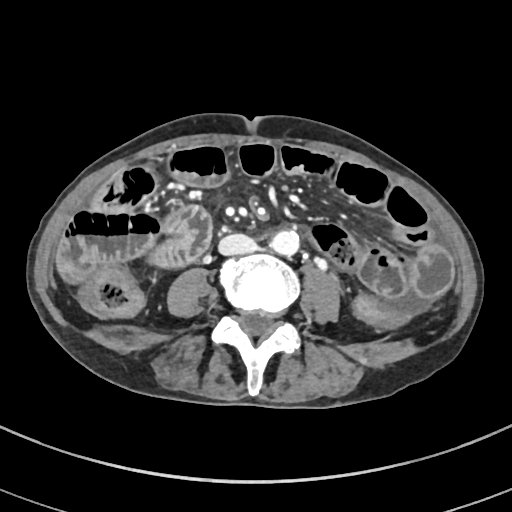

CT, abdomen/pelvis · axial plane, index 87 · acquired on SOMATOM Force
Organ boxes in pixel coordinates; each row gives the top-left (x1, y1) and bottom-right (x2, y2) corners.
| organ | x1 | y1 | x2 | y2 |
|---|---|---|---|---|
| aorta | 268 | 232 | 298 | 256 |
| inferior vena cava | 217 | 234 | 255 | 255 |